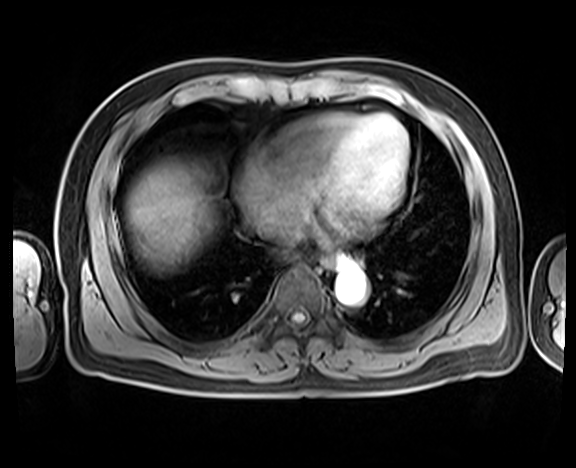

Abdominal MR. Axial slice 69/72. percentile-normalized
<organs><organ name="esophagus" x1="314" y1="254" x2="349" y2="269"/><organ name="liver" x1="127" y1="158" x2="214" y2="270"/><organ name="aorta" x1="335" y1="268" x2="366" y2="303"/><organ name="inferior vena cava" x1="263" y1="222" x2="301" y2="243"/></organs>